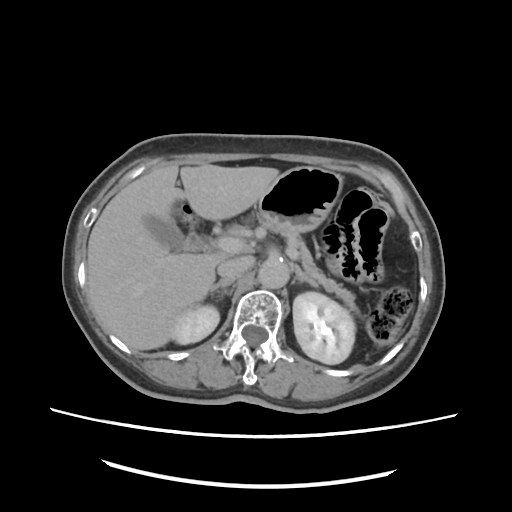

CT abdomen; Axial slice 70/89; soft-tissue window (W 400 / L 40); 512x512 px; 76-year-old female patient; Aquilion ONE scanner
<organs><organ name="right kidney" x1="172" y1="305" x2="219" y2="345"/><organ name="left kidney" x1="293" y1="292" x2="355" y2="364"/><organ name="gall bladder" x1="143" y1="213" x2="211" y2="253"/><organ name="liver" x1="86" y1="163" x2="279" y2="350"/><organ name="stomach" x1="255" y1="165" x2="344" y2="231"/><organ name="aorta" x1="257" y1="259" x2="288" y2="289"/><organ name="inferior vena cava" x1="218" y1="255" x2="257" y2="277"/><organ name="pancreas" x1="257" y1="221" x2="357" y2="312"/><organ name="right adrenal gland" x1="208" y1="276" x2="238" y2="300"/><organ name="left adrenal gland" x1="293" y1="267" x2="317" y2="287"/></organs>